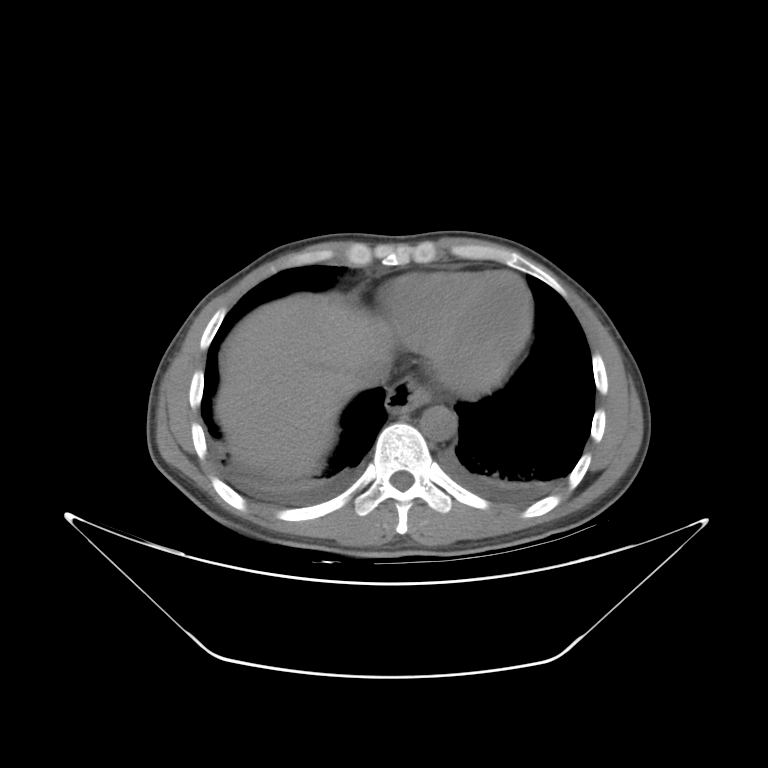
CT, abdomen/pelvis. axial view. 39-year-old male patient. scan has 15 labeled organs (that count is for the whole scan; organs this slice misses have no box)
Coordinates as <box>x1,y1,x2,y2</box> in pixels.
Organ bounding boxes:
- aorta: <box>420,406,456,440</box>
- inferior vena cava: <box>350,355,390,388</box>
- liver: <box>215,293,390,478</box>
- esophagus: <box>386,379,431,413</box>